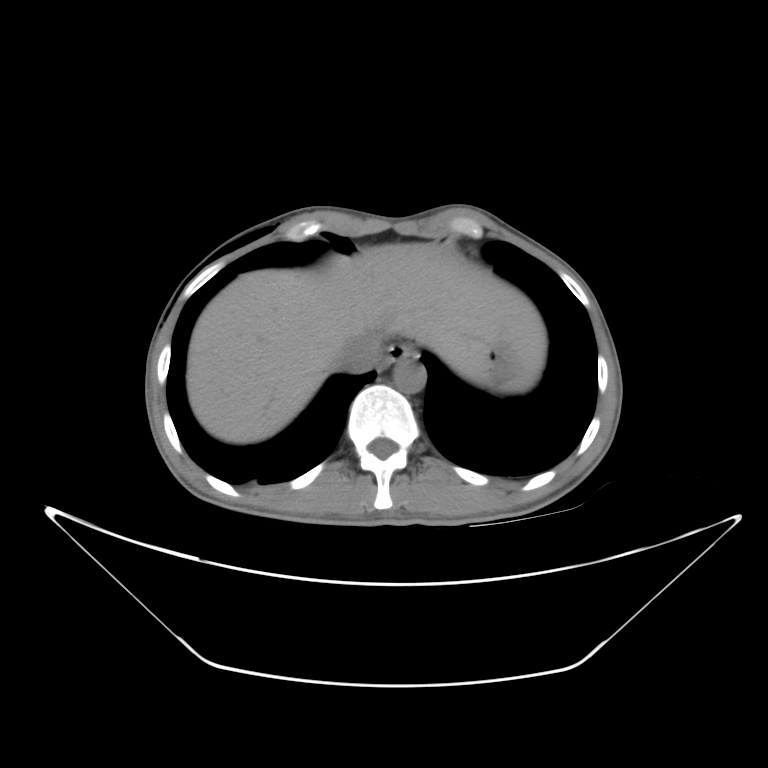
Abdominal CT. axial plane, index 83. soft-tissue window
Bounding boxes as [x1, y1, x2, y2] in pixel coordinates.
Organ bounding boxes:
- spleen: [498, 372, 538, 392]
- esophagus: [378, 343, 414, 367]
- inferior vena cava: [332, 329, 382, 372]
- aorta: [395, 361, 426, 392]
- liver: [187, 243, 546, 442]